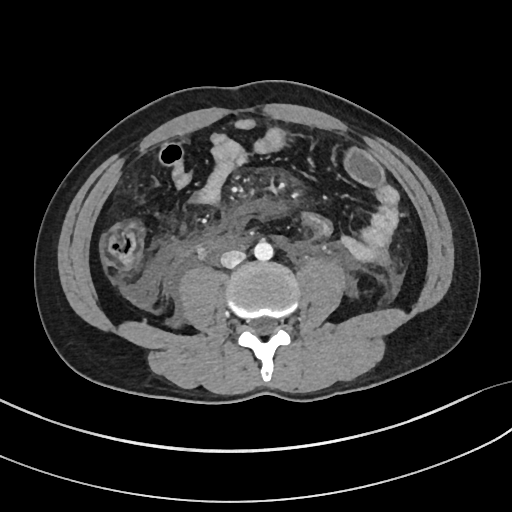 CT abdomen. axial plane, index 107. 15 organs annotated in this scan (counted over the whole 3D scan, not this slice; an organ is boxed only where this slice passes through it)
Each box given as x1,y1,x2,y2.
inferior vena cava: x1=220, y1=250, x2=245, y2=267
aorta: x1=254, y1=241, x2=273, y2=260